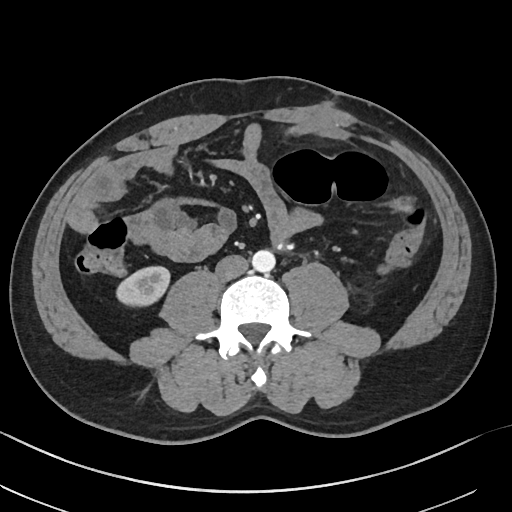
CT abdomen. axial view
Organ boxes in pixel coordinates; each row gives the top-left (x1, y1) and bottom-right (x2, y2) corners.
| organ | x1 | y1 | x2 | y2 |
|---|---|---|---|---|
| right kidney | 116 | 266 | 170 | 306 |
| aorta | 252 | 249 | 275 | 272 |
| inferior vena cava | 215 | 255 | 248 | 280 |